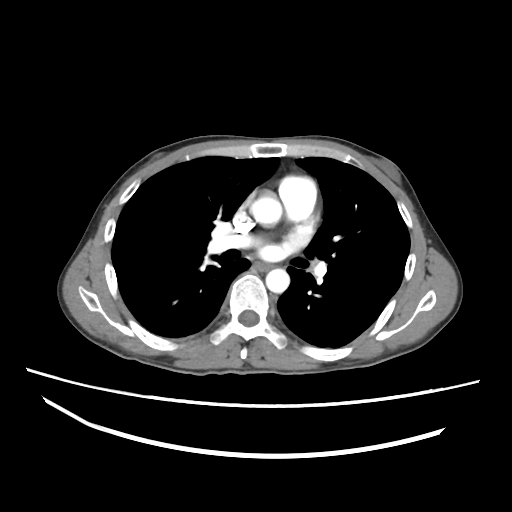

Chest-level CT slice, above the liver and spleen · Axial slice 111/140 · 40-year-old male patient · 15 organs annotated in this scan (a whole-scan count: organs this slice does not pass through have no box)
At this level of the chest this dataset labels only the esophagus and the aorta, and each is boxed only where it is labeled; the heart and lungs are never labeled.
<organs><organ name="esophagus" x1="252" y1="261" x2="271" y2="271"/><organ name="aorta" x1="250" y1="193" x2="282" y2="226"/><organ name="aorta" x1="265" y1="268" x2="289" y2="292"/></organs>